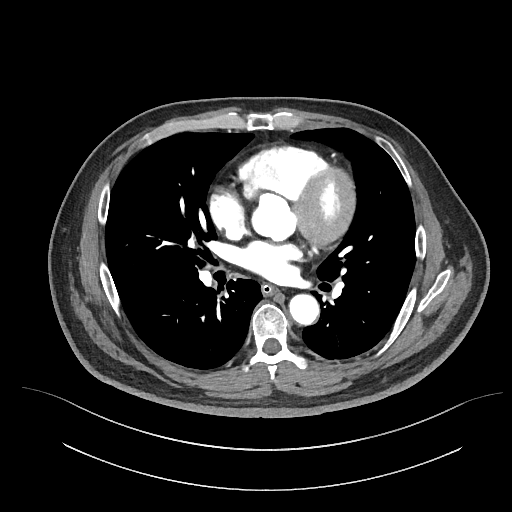
Abdominal CT; this slice is in the lower chest, just above the liver — axial view — soft-tissue window
The heart and lungs are never labeled in this dataset, so they have no box on this slice.
Organ boxes in pixel coordinates; each row gives the top-left (x1, y1) and bottom-right (x2, y2) corners.
| organ | x1 | y1 | x2 | y2 |
|---|---|---|---|---|
| esophagus | 261 | 284 | 277 | 295 |
| aorta | 289 | 293 | 318 | 324 |